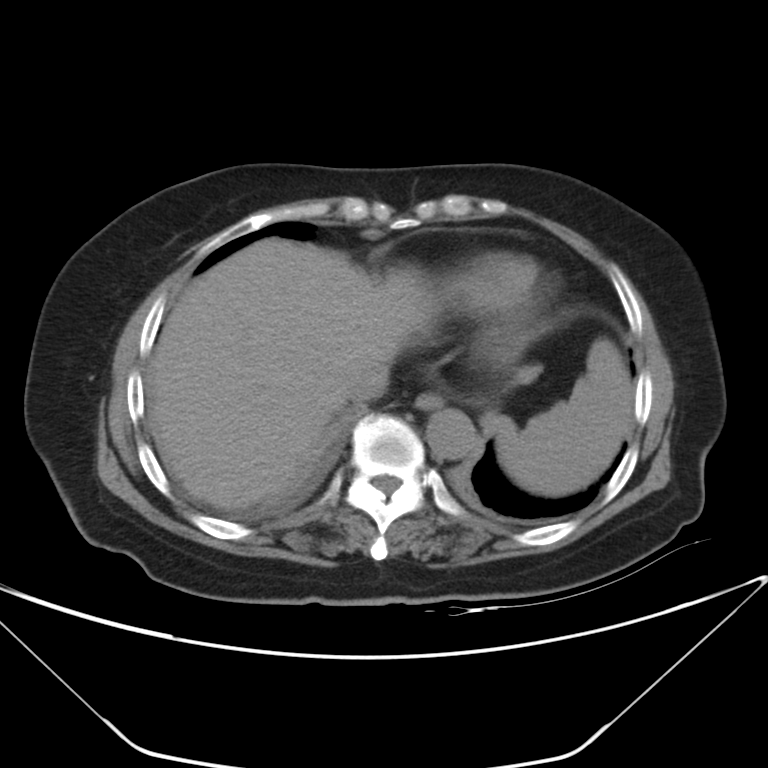
CT abdomen; axial view; 768x768 px
<organs><organ name="inferior vena cava" x1="342" y1="362" x2="389" y2="403"/><organ name="aorta" x1="426" y1="408" x2="478" y2="459"/><organ name="liver" x1="146" y1="238" x2="436" y2="509"/><organ name="esophagus" x1="414" y1="392" x2="443" y2="410"/><organ name="spleen" x1="483" y1="339" x2="632" y2="496"/></organs>